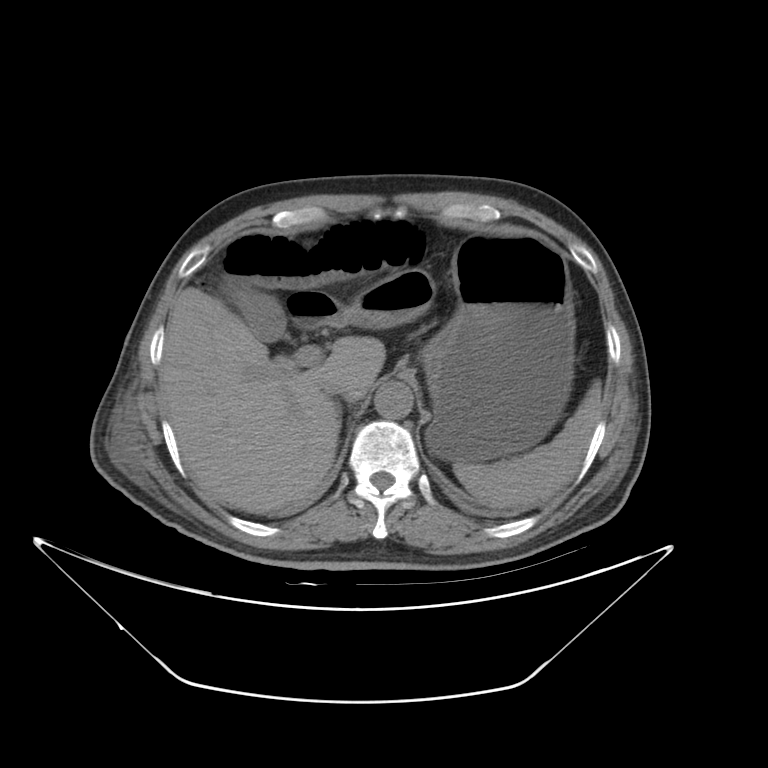 Computed tomography, abdomen. Axial slice 79/99. soft-tissue window (W 400 / L 40). 768x768 px. acquired on Brilliance16
Bounding boxes as [x1, y1, x2, y2] in pixel coordinates.
Organ bounding boxes:
- inferior vena cava: [324, 379, 351, 401]
- stomach: [347, 224, 574, 461]
- gall bladder: [228, 285, 286, 341]
- liver: [161, 287, 383, 514]
- duodenum: [285, 289, 349, 330]
- spleen: [453, 383, 601, 508]
- aorta: [375, 382, 413, 420]